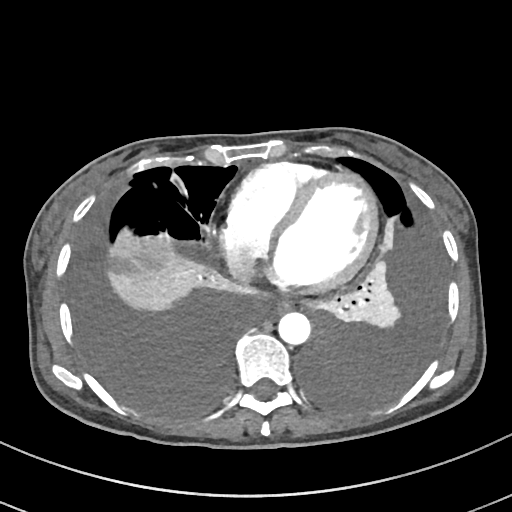

Lower-chest slice from an abdominal CT, just above the liver and spleen; axial view; 512x512 px; SOMATOM Force scanner
No part of the heart or lungs is labeled in this dataset, so neither has a box here. Coordinates as <box>x1,y1,x2,y2</box> in pixels. The annotated organs in this slice are: esophagus at <box>276,300,291,312</box>, aorta at <box>278,312,310,344</box>, inferior vena cava at <box>227,254,256,284</box>.